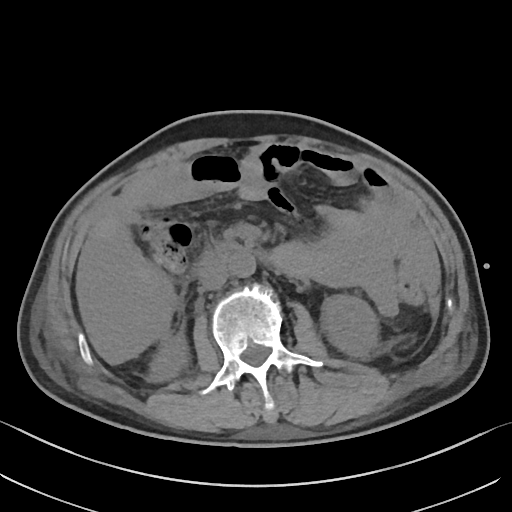
Abdominal CT; Axial slice 54/100; 512x512 px
Coordinates as <box>x1,y1,x2,y2</box> in pixels.
aorta: <box>228,253,255,277</box>
inferior vena cava: <box>199,262,228,290</box>
duodenum: <box>196,242,252,270</box>
right kidney: <box>149,333,188,381</box>
left kidney: <box>320,295,378,358</box>